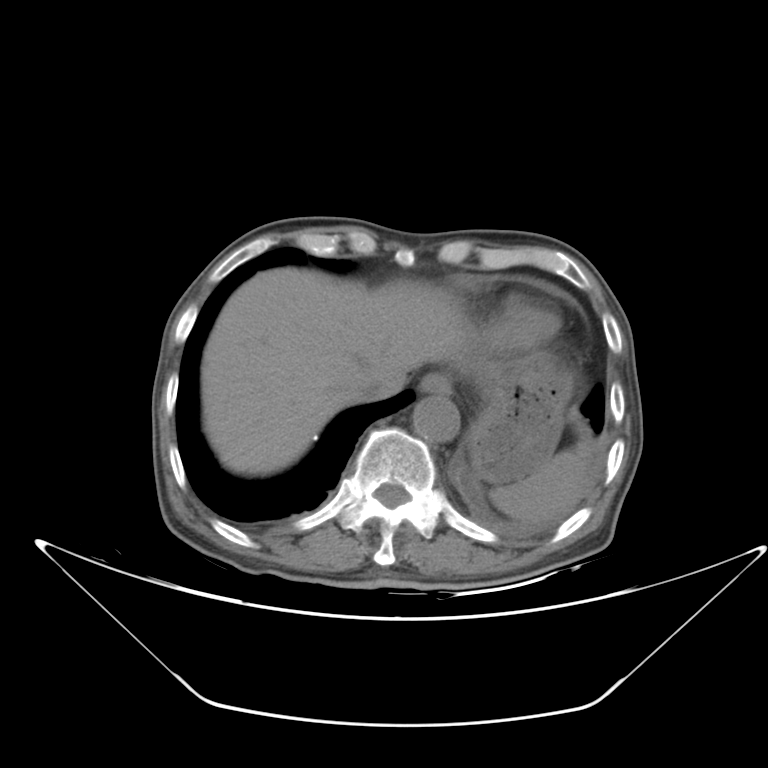

CT, abdomen/pelvis · axial plane, index 79 · 768x768 px · Brilliance16 scanner
One row per box, in pixels: columns x1 and y1 give the top-left corner, x2 and y2 the bottom-right.
| organ | x1 | y1 | x2 | y2 |
|---|---|---|---|---|
| spleen | 489 | 452 | 585 | 523 |
| liver | 200 | 266 | 476 | 473 |
| aorta | 412 | 395 | 458 | 444 |
| inferior vena cava | 354 | 374 | 395 | 402 |
| stomach | 468 | 353 | 573 | 482 |
| esophagus | 420 | 372 | 450 | 396 |